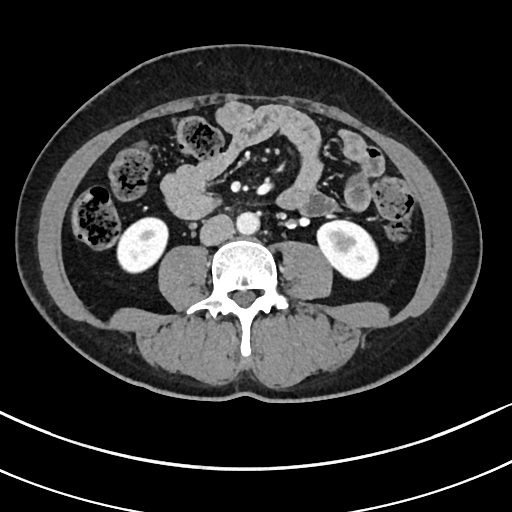

CT, abdomen/pelvis — axial view — soft-tissue window (W 400 / L 40)
Organ boxes in pixel coordinates; each row gives the top-left (x1, y1) and bottom-right (x2, y2) corners.
| organ | x1 | y1 | x2 | y2 |
|---|---|---|---|---|
| right kidney | 116 | 217 | 169 | 273 |
| left kidney | 315 | 220 | 379 | 280 |
| aorta | 236 | 213 | 259 | 235 |
| inferior vena cava | 199 | 214 | 232 | 245 |